Computed tomography, abdomen — axial view — abdomen soft-tissue window
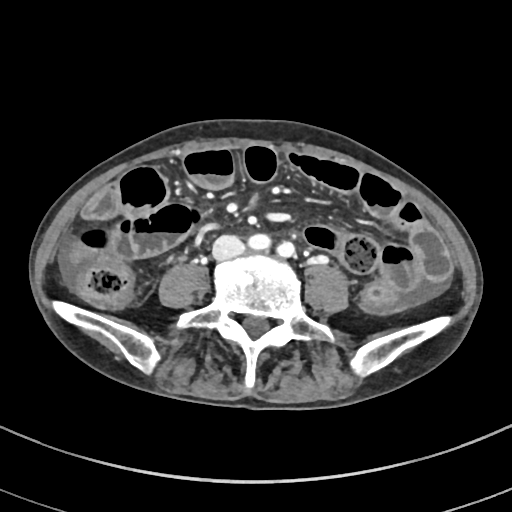 Bounding boxes as [x1, y1, x2, y2] in pixel coordinates.
Organ bounding boxes:
- inferior vena cava: [214, 235, 243, 256]